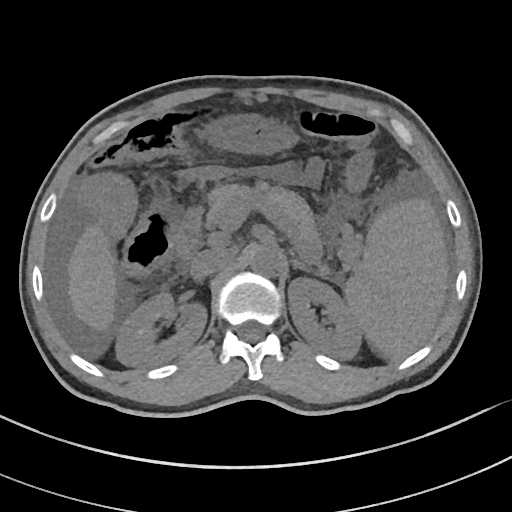 CT, abdomen/pelvis · axial view · 512x512 px
Coordinates as <box>x1,y1,x2,y2</box> in pixels.
spleen: <box>345,200,447,360</box>
right kidney: <box>115,291,205,366</box>
left kidney: <box>287,279,363,359</box>
liver: <box>68,227,115,329</box>
stomach: <box>203,114,300,152</box>
aorta: <box>249,245,282,276</box>
inferior vena cava: <box>190,248,235,279</box>
pancreas: <box>205,185,323,252</box>
left adrenal gland: <box>293,258,311,272</box>
duodenum: <box>173,210,203,260</box>